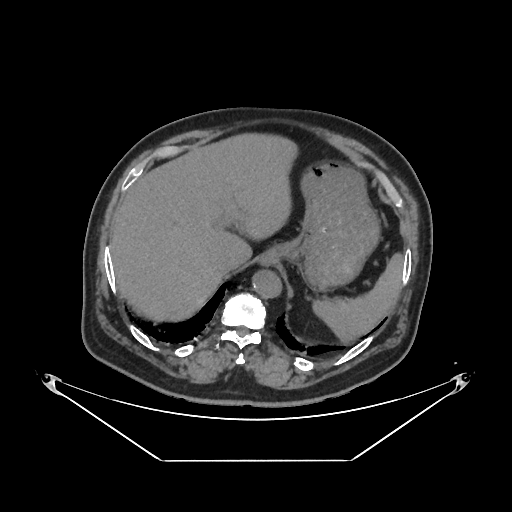
Abdominal CT; axial view; W/L 400/40 HU; 512x512 px
{"organs":{"spleen":[312,253,403,342],"liver":[110,133,297,321],"stomach":[261,161,379,291],"aorta":[252,270,281,298],"inferior vena cava":[217,256,238,274]}}